Abdominal CT; axial view; W/L 400/40 HU; 512x512 px
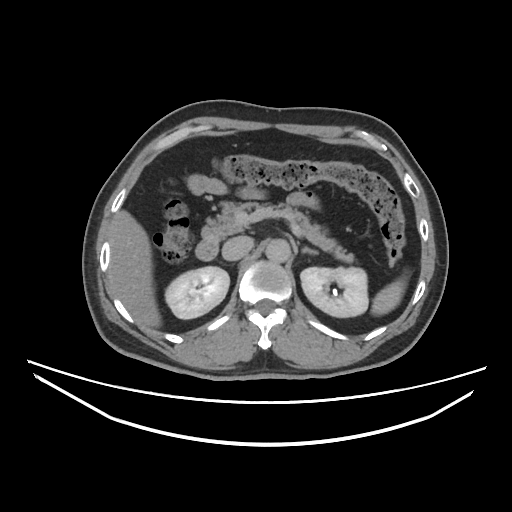
{"organs":{"spleen":[370,270,408,316],"right kidney":[165,266,228,319],"left kidney":[299,266,368,317],"liver":[110,210,159,327],"aorta":[265,238,290,262],"inferior vena cava":[223,236,253,259],"pancreas":[207,202,353,262],"left adrenal gland":[301,247,317,254],"duodenum":[194,221,222,260]}}